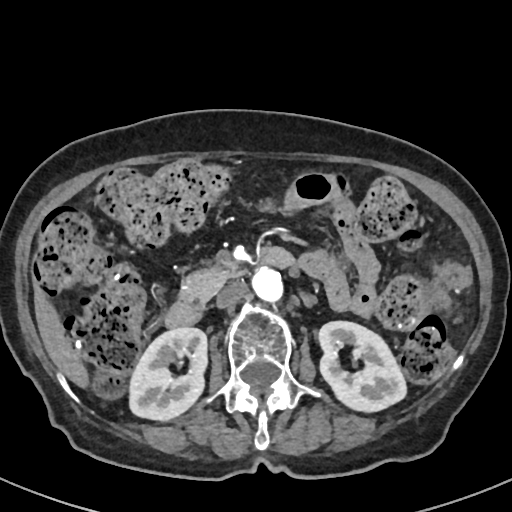 CT abdomen — Axial slice 131/279 — soft-tissue window — acquired on SOMATOM Force
<organs><organ name="right kidney" x1="129" y1="327" x2="207" y2="420"/><organ name="left kidney" x1="318" y1="321" x2="406" y2="411"/><organ name="liver" x1="35" y1="293" x2="88" y2="387"/><organ name="aorta" x1="252" y1="267" x2="283" y2="302"/><organ name="inferior vena cava" x1="216" y1="281" x2="248" y2="308"/><organ name="pancreas" x1="179" y1="264" x2="242" y2="301"/><organ name="duodenum" x1="164" y1="247" x2="295" y2="327"/></organs>